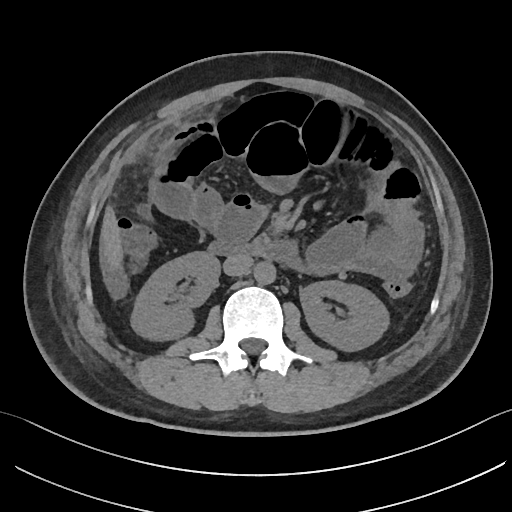 CT abdomen · axial view · abdomen soft-tissue window · 512x512 px · SOMATOM Force scanner
{"organs":{"left kidney":[300,280,388,350],"aorta":[253,261,276,284],"liver":[101,209,121,263],"duodenum":[207,241,296,266],"right kidney":[131,251,219,339],"inferior vena cava":[223,254,253,276]}}